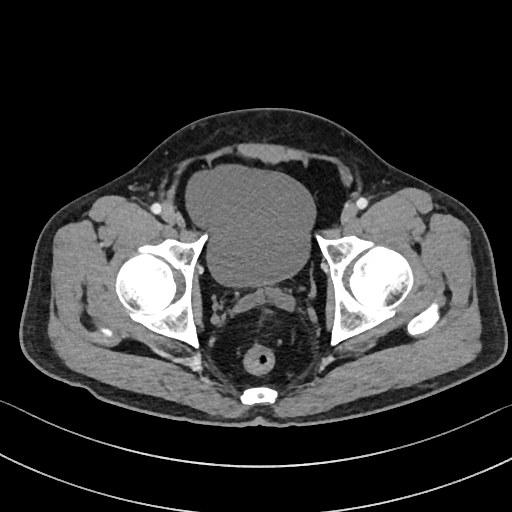

CT abdomen. Axial slice 36/232
<organs><organ name="bladder" x1="184" y1="163" x2="315" y2="287"/></organs>